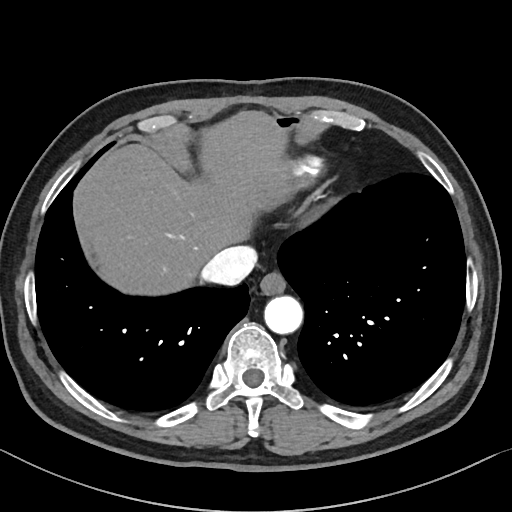
CT, abdomen/pelvis — axial plane, index 195 — abdomen soft-tissue window — 512x512 px
Organ boxes in pixel coordinates; each row gives the top-left (x1, y1) and bottom-right (x2, y2) corners.
| organ | x1 | y1 | x2 | y2 |
|---|---|---|---|---|
| esophagus | 259 | 272 | 285 | 295 |
| liver | 74 | 112 | 292 | 292 |
| aorta | 264 | 296 | 302 | 334 |
| inferior vena cava | 203 | 245 | 257 | 285 |